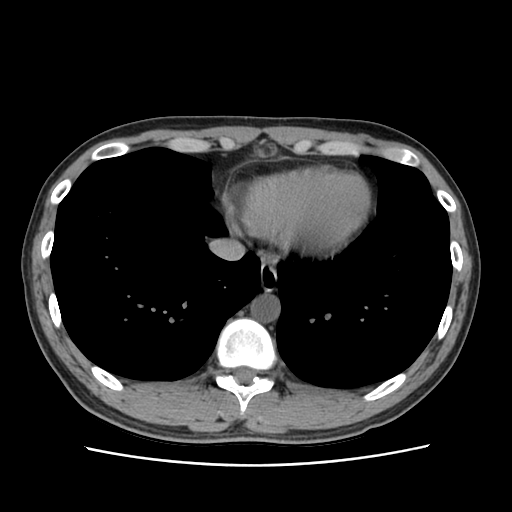
CT of the abdomen reaching into the lower chest, slice just above the liver and spleen. axial view. soft-tissue window (W 400 / L 40)
The heart and lungs are never labeled in this dataset, so they have no box on this slice.
One row per box, in pixels: columns x1 and y1 give the top-left corner, x2 and y2 the bottom-right.
| organ | x1 | y1 | x2 | y2 |
|---|---|---|---|---|
| aorta | 250 | 294 | 279 | 321 |
| esophagus | 260 | 266 | 277 | 292 |
| inferior vena cava | 209 | 238 | 244 | 261 |